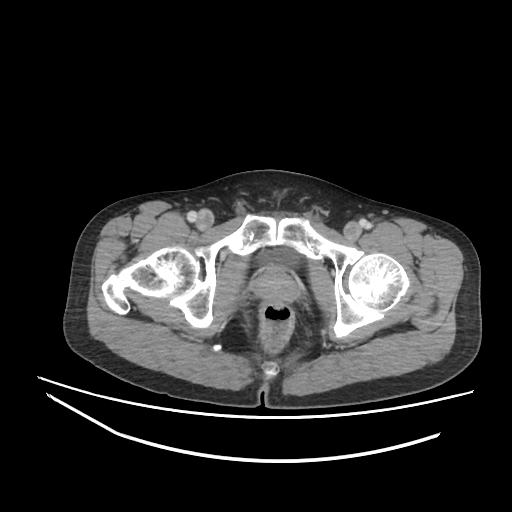
CT, abdomen/pelvis; axial view; abdomen soft-tissue window; 512x512 px; Aquilion ONE scanner
Boxes: x1:y1:x2:y2 in pixels.
Organ bounding boxes:
- bladder: 260:247:296:264
- prostate/uterus: 253:266:299:301